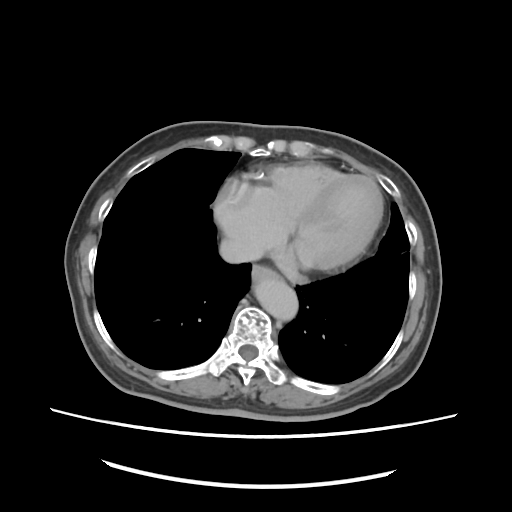

Abdominal CT; this slice is in the lower chest, just above the liver · axial view · 512x512 px · scan has 15 labeled organs (counted over the whole 3D scan, not this slice; an organ is boxed only where this slice passes through it)
The heart and lungs are never labeled in this dataset, so they have no box on this slice.
Bounding boxes as [x1, y1, x2, y2] in pixel coordinates.
esophagus: [253, 265, 289, 283]
aorta: [255, 278, 298, 320]
inferior vena cava: [220, 236, 262, 262]